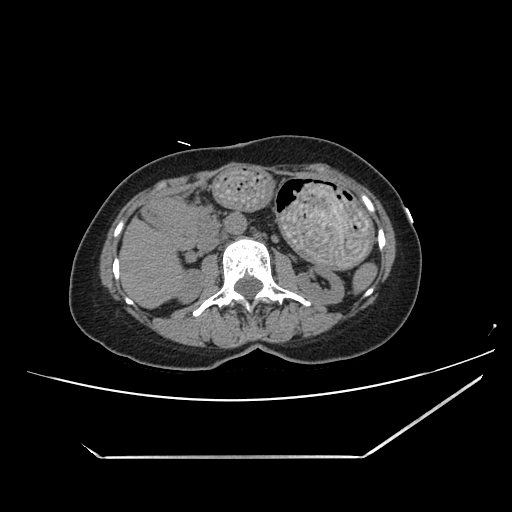 Computed tomography, abdomen — axial view — soft-tissue window (W 400 / L 40) — 512x512 px — SOMATOM Force scanner
Bounding boxes as [x1, y1, x2, y2] in pixel coordinates.
Organ bounding boxes:
- spleen: [353, 262, 377, 293]
- stomach: [213, 165, 373, 266]
- left kidney: [297, 267, 344, 304]
- inferior vena cava: [197, 233, 218, 252]
- duodenum: [143, 201, 218, 249]
- aorta: [225, 213, 246, 234]
- liver: [119, 217, 184, 308]
- pancreas: [164, 199, 209, 235]
- right kidney: [176, 270, 202, 303]